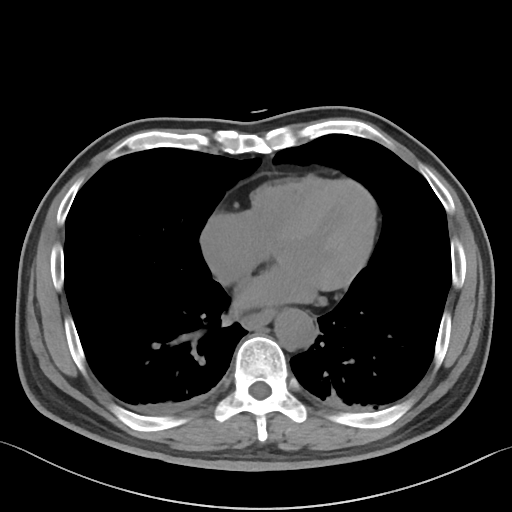

CT of the abdomen reaching into the lower chest, slice just above the liver and spleen; Axial slice 97/101; soft-tissue window; SOMATOM Force scanner; scan has 15 labeled organs (counted over the whole 3D scan, not this slice; an organ is boxed only where this slice passes through it)
Of the structures in the chest, this dataset labels only the esophagus, the aorta and the inferior vena cava; the heart and lungs have no label.
{"organs":{"esophagus":[242,309,274,329],"aorta":[274,308,316,350]}}